Chest-level slice from an abdominal CT that extends up into the chest; axial plane, index 108; 512x512 px; acquired on Aquilion ONE; scan has 15 labeled organs (a whole-scan count: organs this slice does not pass through have no box)
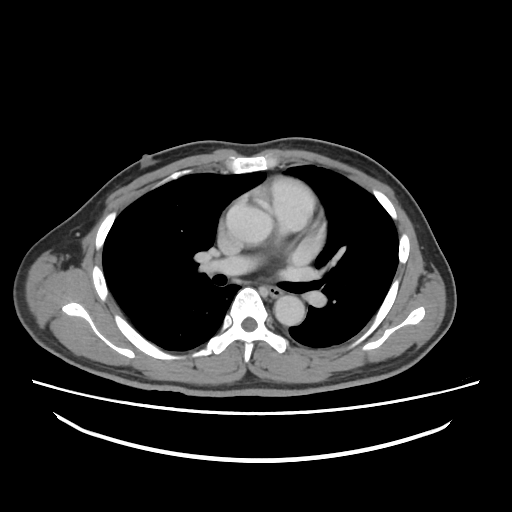 At this level of the chest no structure but the esophagus and the aorta has a label in this dataset, and those two are boxed only where they are labeled.
Bounding boxes in pixels, one row per box: x1, y1 is the top-left corner and x2, y2 the bottom-right.
| organ | x1 | y1 | x2 | y2 |
|---|---|---|---|---|
| esophagus | 266 | 285 | 283 | 297 |
| aorta | 226 | 204 | 273 | 245 |
| aorta | 274 | 295 | 304 | 325 |